CT abdomen — axial view — soft-tissue window — 512x512 px
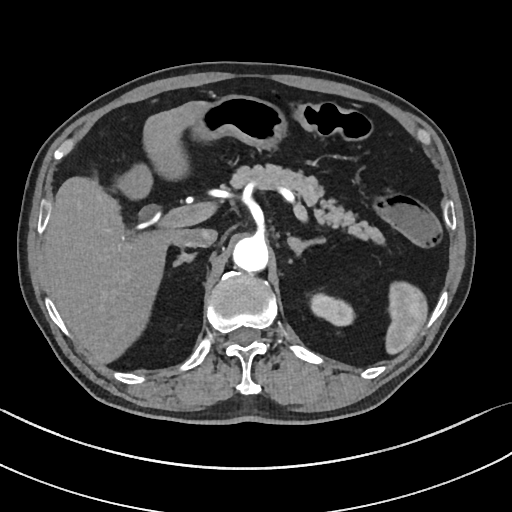

Boxes: x1:y1:x2:y2 in pixels.
Organ bounding boxes:
- liver: 44:102:203:361
- stomach: 191:94:283:146
- spleen: 385:282:426:353
- left kidney: 312:295:352:325
- inferior vena cava: 174:228:217:247
- aorta: 233:236:268:271
- left adrenal gland: 287:235:324:253
- right adrenal gland: 175:251:194:264
- gall bladder: 108:196:121:213
- pancreas: 229:163:384:241